CT abdomen — Axial slice 94/191 — soft-tissue window (W 400 / L 40) — acquired on SOMATOM Force
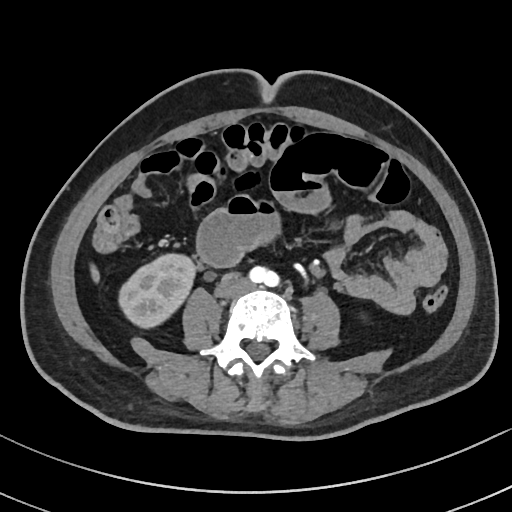
<organs><organ name="right kidney" x1="117" y1="253" x2="193" y2="328"/><organ name="liver" x1="91" y1="264" x2="100" y2="284"/><organ name="aorta" x1="250" y1="266" x2="277" y2="286"/><organ name="inferior vena cava" x1="215" y1="275" x2="249" y2="296"/></organs>